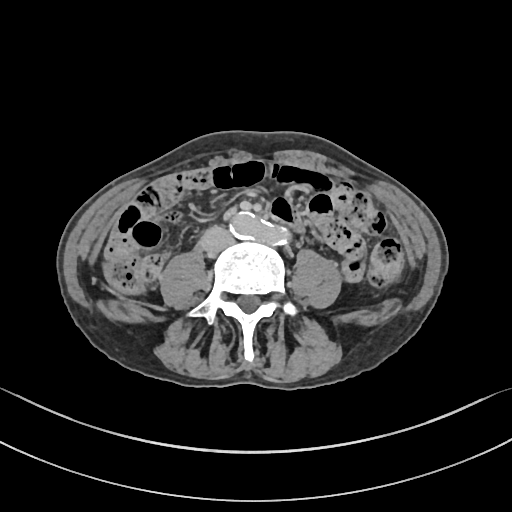
Abdominal CT · axial view · 512x512 px · scan has 15 labeled organs (counted over the whole 3D scan, not this slice; an organ is boxed only where this slice passes through it)
{"organs":{"aorta":[231,210,289,245],"inferior vena cava":[200,227,231,253]}}